CT abdomen; Axial slice 84/89; soft-tissue window (W 400 / L 40); 512x512 px
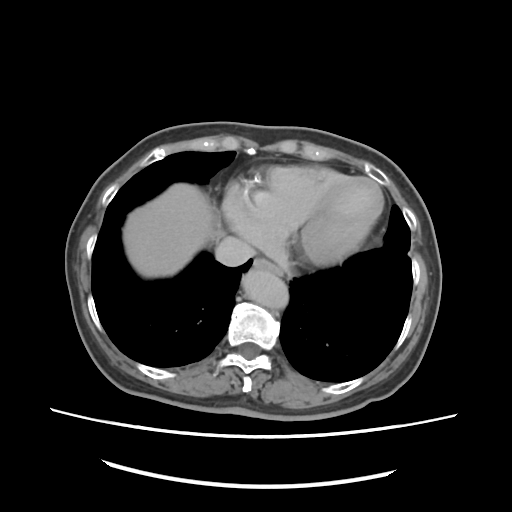 Coordinates as <box>x1,y1,x2,y2</box> in pixels. The annotated organs in this slice are: esophagus at <box>253,259,285,275</box>, liver at <box>124,183,214,277</box>, aorta at <box>243,271,288,308</box>, inferior vena cava at <box>214,236,254,266</box>.